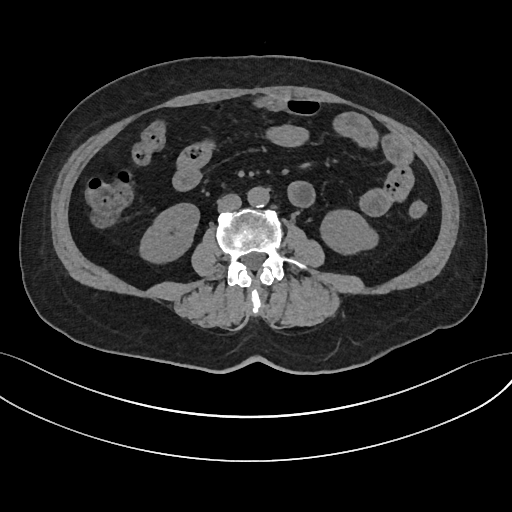
CT, abdomen/pelvis; Axial slice 106/207; abdomen soft-tissue window
Bounding boxes in pixels, one row per box: x1, y1 is the top-left corner and x2, y2 the bottom-right.
| organ | x1 | y1 | x2 | y2 |
|---|---|---|---|---|
| right kidney | 139 | 203 | 199 | 263 |
| left kidney | 320 | 210 | 378 | 254 |
| aorta | 247 | 187 | 269 | 207 |
| inferior vena cava | 217 | 194 | 241 | 212 |